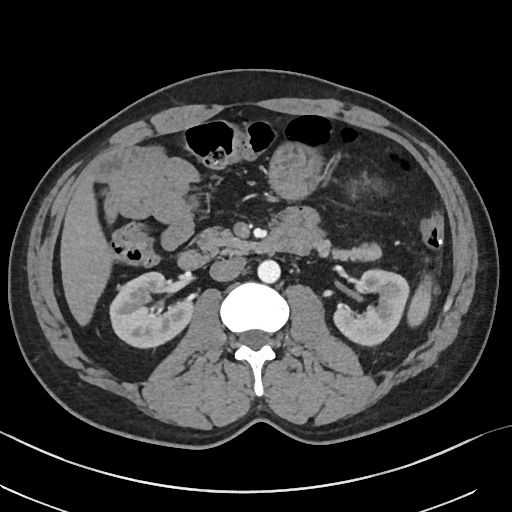
Computed tomography, abdomen · axial plane, index 142 · soft-tissue window · 512x512 px · SOMATOM Force scanner
Each box given as x1,y1,x2,y2. The annotated organs in this slice are: spleen at x1=408, y1=276, x2=432, y2=326, right kidney at x1=110, y1=273, x2=195, y2=349, left kidney at x1=332, y1=270, x2=407, y2=346, liver at x1=60, y1=174, x2=113, y2=323, stomach at x1=269, y1=144, x2=322, y2=197, aorta at x1=257, y1=260, x2=280, y2=284, inferior vena cava at x1=209, y1=257, x2=245, y2=281, pancreas at x1=198, y1=225, x2=381, y2=261, duodenum at x1=177, y1=229, x2=295, y2=269.